CT of the abdomen reaching into the lower chest, slice just above the liver and spleen. axial view. soft-tissue window (W 400 / L 40). Brilliance16 scanner
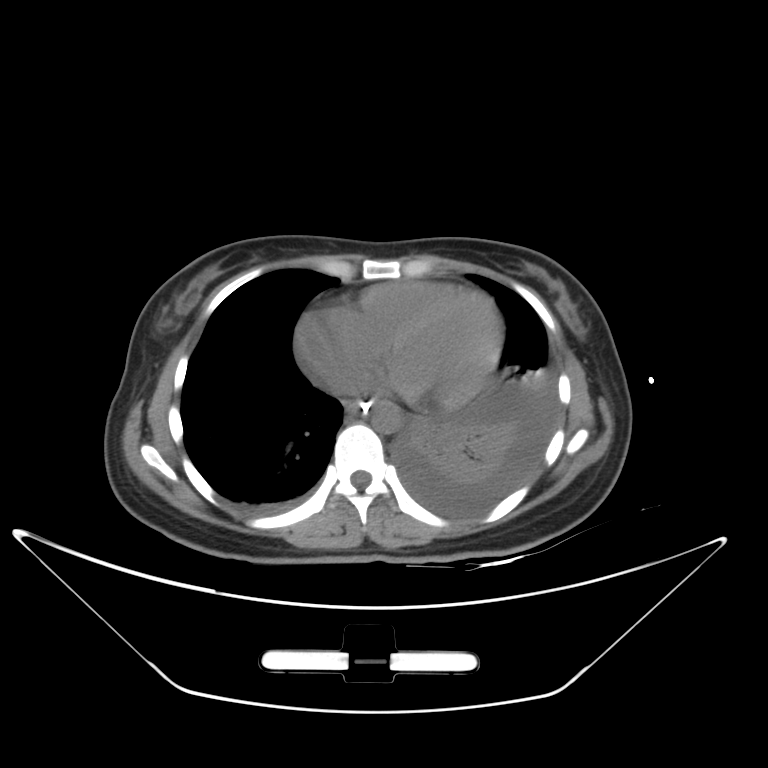

No part of the heart or lungs is labeled in this dataset, so neither has a box here.
Bounding boxes as [x1, y1, x2, y2] in pixel coordinates.
Organ bounding boxes:
- esophagus: [343, 399, 366, 413]
- aorta: [370, 399, 401, 433]